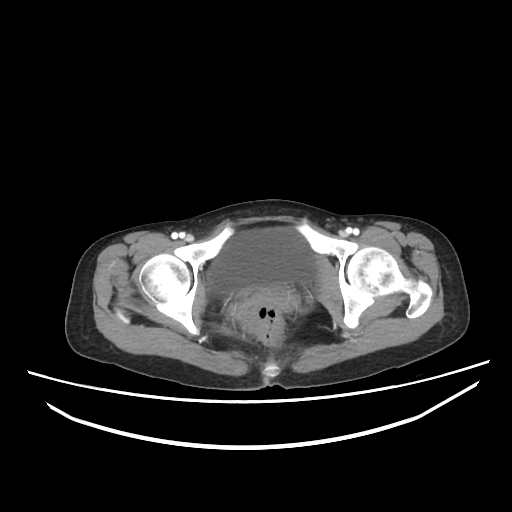 Computed tomography, abdomen; axial view; abdomen soft-tissue window; 512x512 px; 43-year-old female patient
Each box given as x1,y1,x2,y2.
bladder: x1=209, y1=228, x2=317, y2=293